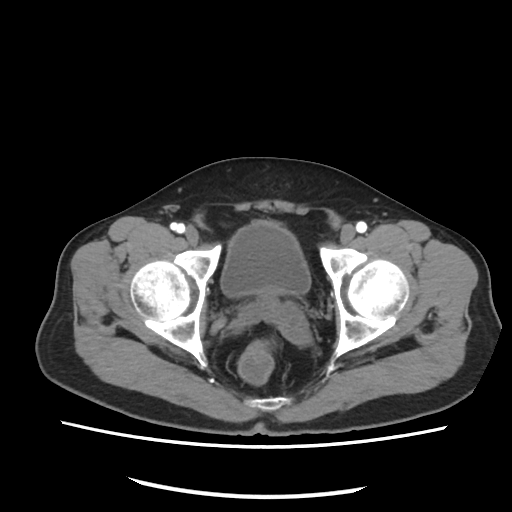
Abdominal CT. axial view. soft-tissue window. 512x512 px. acquired on Aquilion ONE
Coordinates as <box>x1,y1,x2,y2</box> in pixels.
bladder: <box>219,223,309,296</box>